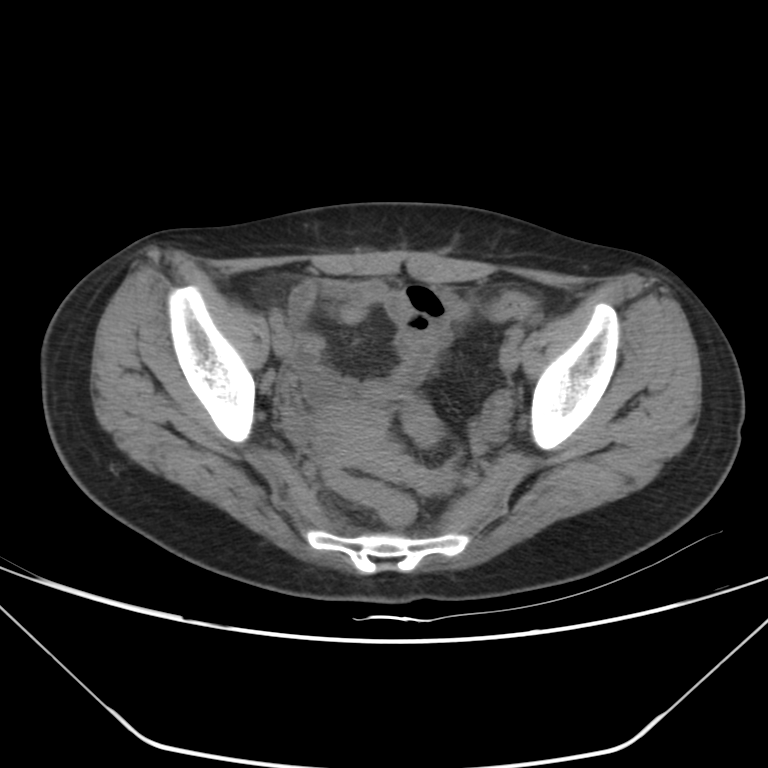 Computed tomography, abdomen — Axial slice 21/83 — W/L 400/40 HU — acquired on Brilliance16 — 15 organs annotated in this scan (that count is for the whole scan; organs this slice misses have no box)
Boxes are (x1, y1, x2, y2) in pixels. Labeled organs on this slice: prostate/uterus at (313, 403, 385, 452).